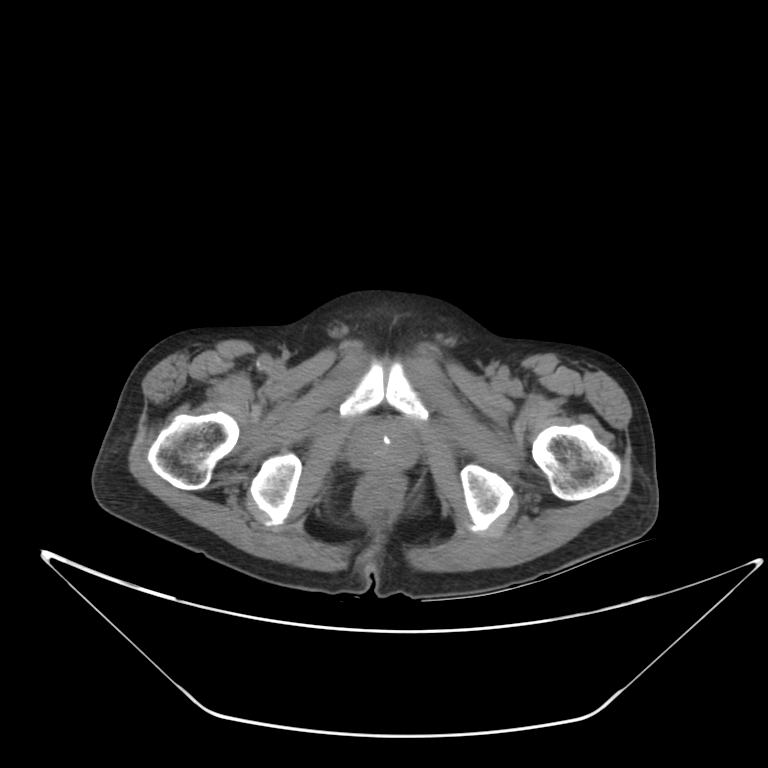

Computed tomography, abdomen · axial view · scan has 15 labeled organs (that count is for the whole scan; organs this slice misses have no box)
<organs><organ name="prostate/uterus" x1="366" y1="428" x2="399" y2="469"/></organs>